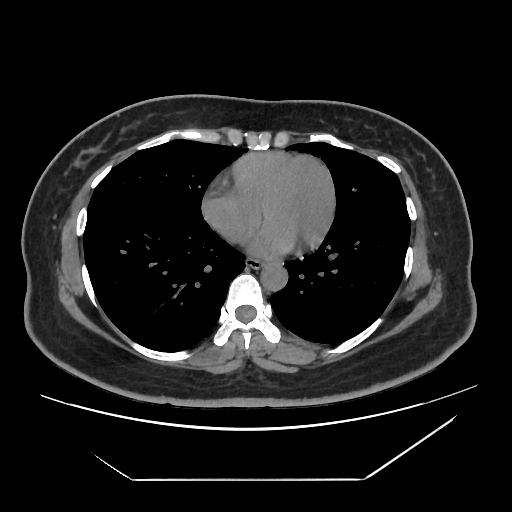

Abdominal CT; this slice is in the lower chest, just above the liver · axial view · soft-tissue window · 512x512 px
The heart and lungs are never labeled in this dataset, so they have no box on this slice.
Organ boxes in pixel coordinates; each row gives the top-left (x1, y1) and bottom-right (x2, y2) corners.
| organ | x1 | y1 | x2 | y2 |
|---|---|---|---|---|
| esophagus | 246 | 257 | 264 | 268 |
| aorta | 260 | 263 | 287 | 290 |